Computed tomography, abdomen; axial view; abdomen soft-tissue window; 512x512 px
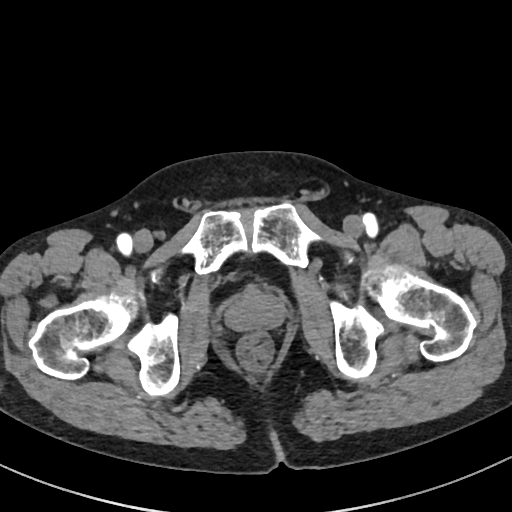
<organs><organ name="prostate/uterus" x1="227" y1="287" x2="283" y2="330"/></organs>